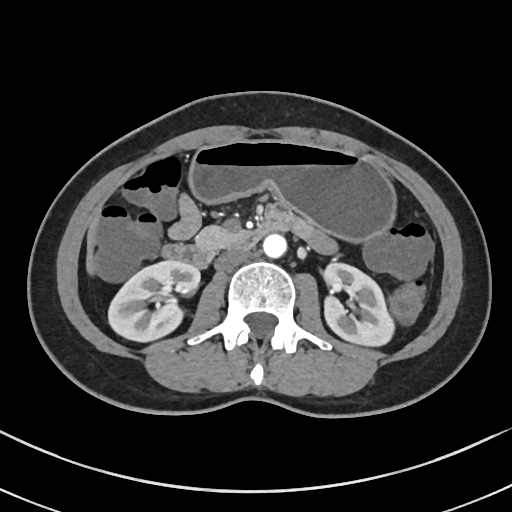

Abdominal CT — axial plane, index 152 — 512x512 px
<organs><organ name="stomach" x1="187" y1="140" x2="398" y2="244"/><organ name="aorta" x1="263" y1="234" x2="286" y2="258"/><organ name="liver" x1="85" y1="211" x2="101" y2="273"/><organ name="pancreas" x1="195" y1="226" x2="239" y2="254"/><organ name="right kidney" x1="108" y1="260" x2="199" y2="342"/><organ name="left kidney" x1="323" y1="263" x2="394" y2="345"/><organ name="duodenum" x1="159" y1="214" x2="286" y2="267"/><organ name="inferior vena cava" x1="215" y1="248" x2="248" y2="270"/></organs>